Abdominal MR. coronal plane, index 28
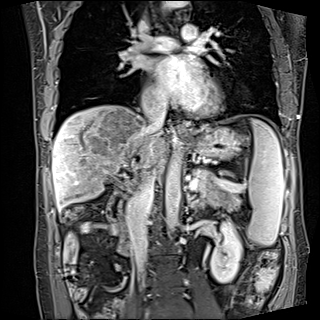

{"organs":{"duodenum":[106,188,132,256],"left kidney":[209,222,242,282],"left adrenal gland":[189,196,198,201],"pancreas":[193,169,239,209],"inferior vena cava":[[128,167,155,277],[143,102,166,132]],"spleen":[247,119,284,245],"esophagus":[176,121,188,137],"stomach":[187,126,242,160],"aorta":[[165,151,181,233],[161,1,187,10]],"liver":[52,104,166,210]}}